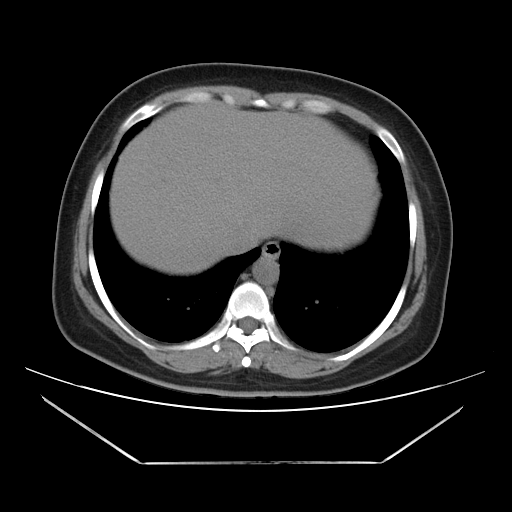
Abdominal CT · axial view · 512x512 px · acquired on SOMATOM Force
Box edges are left/top/right/bottom in pixels.
esophagus: left=262, top=241, right=280, bottom=259
liver: left=109, top=102, right=378, bottom=274
aorta: left=252, top=257, right=279, bottom=284
inferior vena cava: left=224, top=228, right=260, bottom=254